MRI, abdomen. axial view. 13 organs annotated in this scan (counted over the whole 3D scan, not this slice; an organ is boxed only where this slice passes through it)
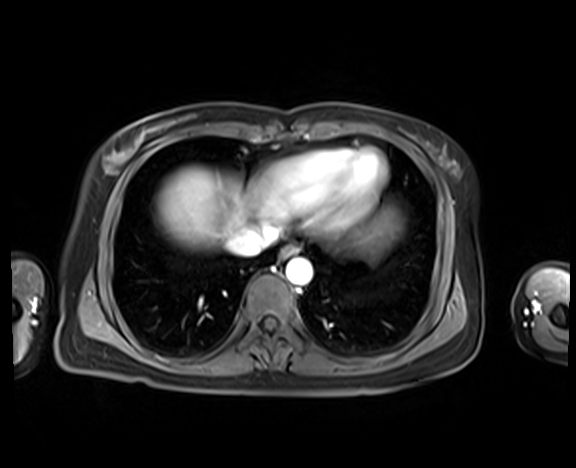
Coordinates as <box>x1,y1,x2,y2</box> in pixels.
esophagus: <box>281,244,300,257</box>
liver: <box>156,166,402,256</box>
inferior vena cava: <box>228,225,278,256</box>
aorta: <box>286,259,312,284</box>